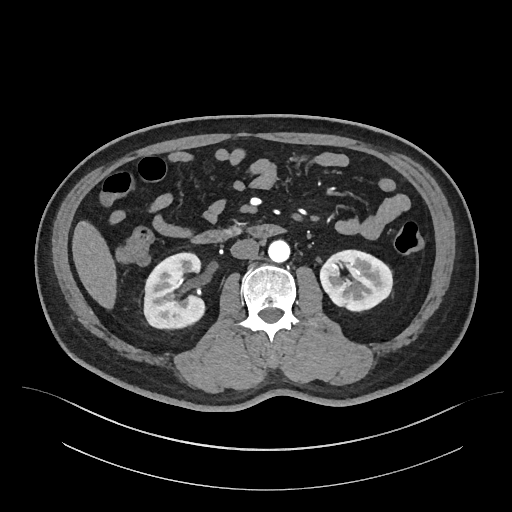

Abdominal CT · axial plane, index 150 · abdomen soft-tissue window
Bounding boxes as [x1, y1, x2, y2] in pixel coordinates.
Organ bounding boxes:
- right kidney: [143, 253, 205, 329]
- left kidney: [320, 249, 392, 311]
- liver: [72, 219, 117, 311]
- aorta: [268, 240, 290, 262]
- inferior vena cava: [230, 239, 259, 258]
- duodenum: [192, 224, 285, 244]